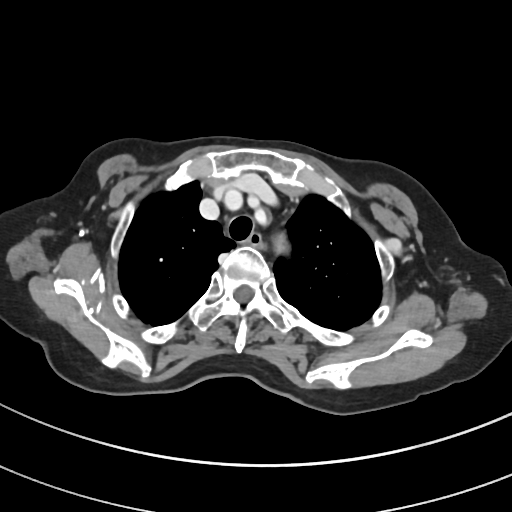
Abdominal CT reaching into the chest; this slice is in the chest · Axial slice 259/284
At this level of the chest no structure but the esophagus and the aorta has a label in this dataset, and those two are boxed only where they are labeled.
{"organs":{"esophagus":[248,232,263,247],"aorta":[268,227,296,265]}}